CT of the abdomen extending into the chest, slice through the chest; axial view; W/L 400/40 HU; 512x512 px
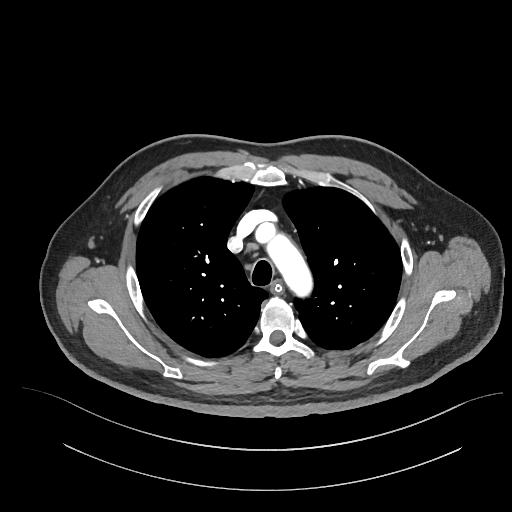
At this level of the chest this dataset labels only the esophagus and the aorta, and each is boxed only where it is labeled; the heart and lungs are never labeled. Boxes are (x1, y1, x2, y2) in pixels. 2 labeled organs on this slice — esophagus at (271, 283, 281, 291); aorta at (267, 234, 312, 296).